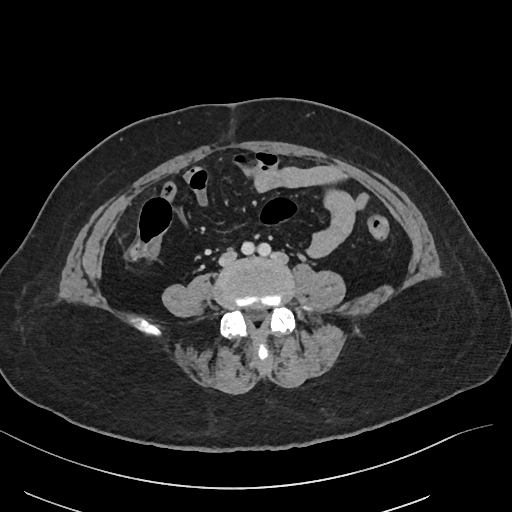
Computed tomography, abdomen. Axial slice 106/244. soft-tissue window. 512x512 px. SOMATOM Force scanner
Bounding boxes as [x1, y1, x2, y2] in pixel coordinates.
Organ bounding boxes:
- inferior vena cava: [219, 250, 236, 264]